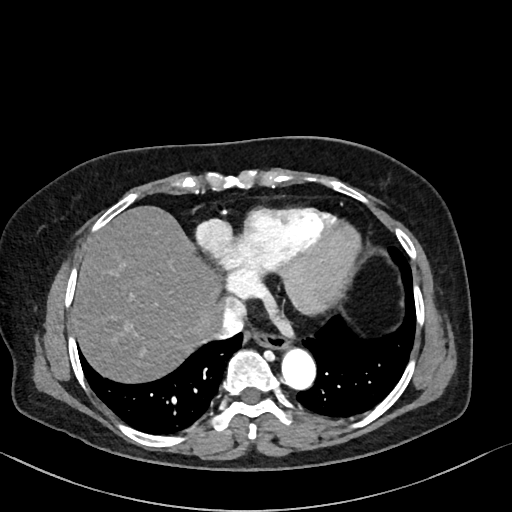

Computed tomography, abdomen. axial view. 512x512 px. SOMATOM Force scanner
Coordinates as <box>x1,y1,x2,y2</box> in pixels. Labeled organs on this slice: esophagus at <box>256,337,289,352</box>, inferior vena cava at <box>205,296,245,339</box>, aorta at <box>282,347,316,391</box>, liver at <box>73,206,220,381</box>.